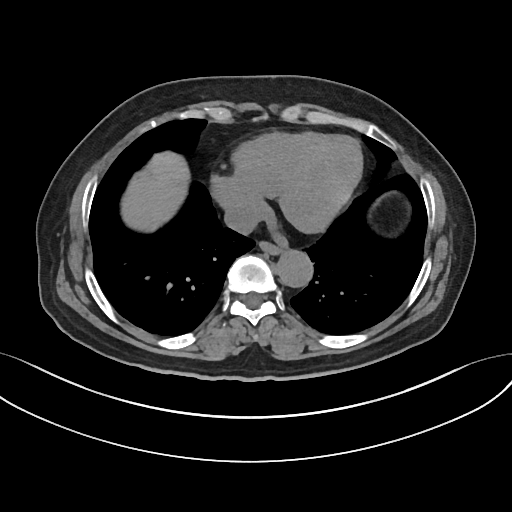

CT abdomen; axial view; acquired on SOMATOM Force
One row per box, in pixels: columns x1 and y1 give the top-left corner, x2 and y2 the bottom-right.
| organ | x1 | y1 | x2 | y2 |
|---|---|---|---|---|
| liver | 121 | 151 | 188 | 230 |
| aorta | 276 | 249 | 312 | 286 |
| esophagus | 259 | 240 | 282 | 253 |
| inferior vena cava | 223 | 205 | 258 | 233 |